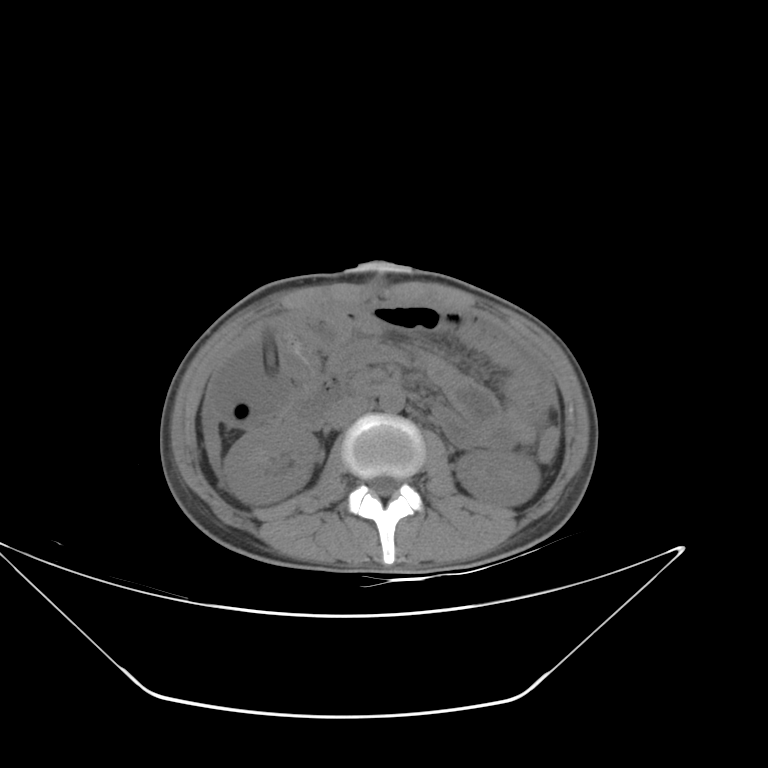
CT abdomen — axial view — abdomen soft-tissue window
{"organs":{"right kidney":[223,422,322,504],"left kidney":[456,450,540,506],"aorta":[380,389,404,413],"inferior vena cava":[326,396,369,428],"duodenum":[288,380,363,429]}}